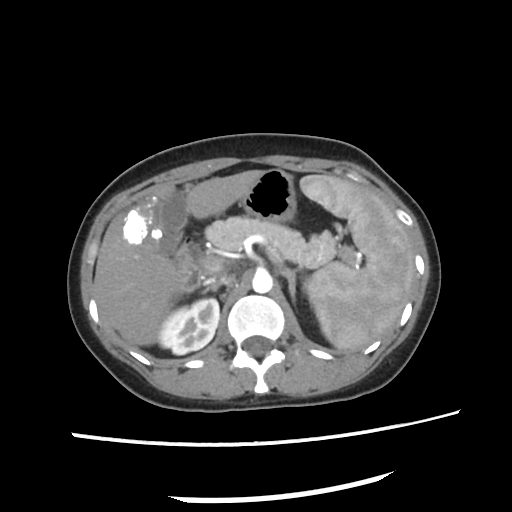

Abdominal CT · axial view · 512x512 px
{"organs":{"spleen":[300,175,415,351],"right kidney":[158,297,219,353],"gall bladder":[157,190,186,253],"liver":[93,171,263,345],"stomach":[239,171,295,223],"aorta":[252,271,272,294],"inferior vena cava":[203,274,234,285],"pancreas":[207,218,351,268],"right adrenal gland":[205,288,208,291],"left adrenal gland":[277,263,302,302],"duodenum":[175,235,202,288]}}